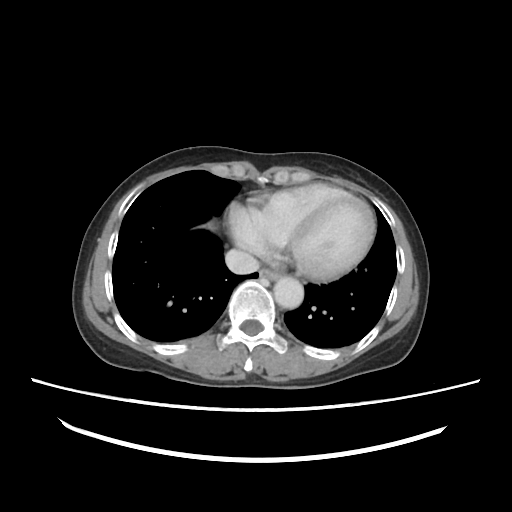
Lower-chest slice from an abdominal CT, just above the liver and spleen; Axial slice 80/82; soft-tissue window, W/L 400/40; 54-year-old female patient; scan has 15 labeled organs (counted over the whole 3D scan, not this slice; an organ is boxed only where this slice passes through it)
No part of the heart or lungs is labeled in this dataset, so neither has a box here.
{"organs":{"esophagus":[260,270,277,281],"aorta":[273,277,304,310],"inferior vena cava":[226,250,259,274]}}